Abdominal CT · axial plane, index 118 · soft-tissue window
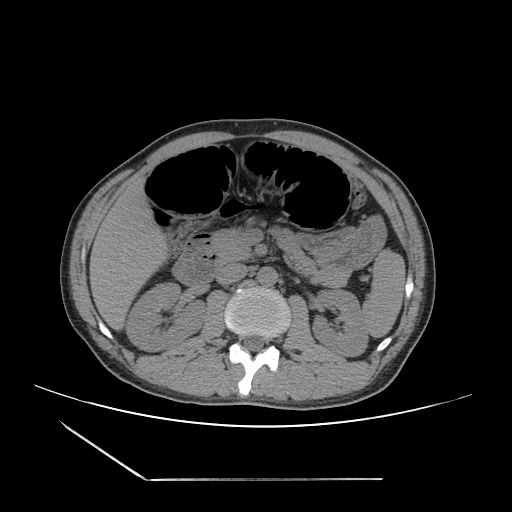
Each box given as x1,y1,x2,y2.
Organ bounding boxes:
- spleen: x1=362, y1=251, x2=404, y2=336
- right kidney: x1=125, y1=282, x2=203, y2=350
- left kidney: x1=312, y1=288, x2=367, y2=356
- liver: x1=90, y1=180, x2=168, y2=328
- stomach: x1=301, y1=219, x2=384, y2=268
- aorta: x1=256, y1=267, x2=277, y2=286
- inferior vena cava: x1=217, y1=264, x2=247, y2=284
- pancreas: x1=208, y1=230, x2=350, y2=286
- duodenum: x1=172, y1=247, x2=222, y2=285